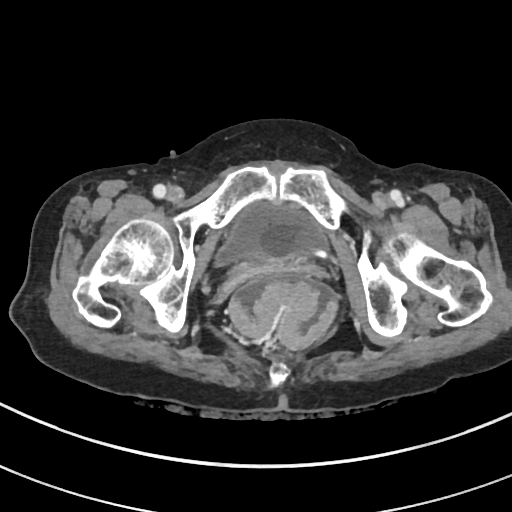
CT abdomen — axial view — soft-tissue window — acquired on SOMATOM Force
<organs><organ name="bladder" x1="216" y1="202" x2="327" y2="265"/></organs>